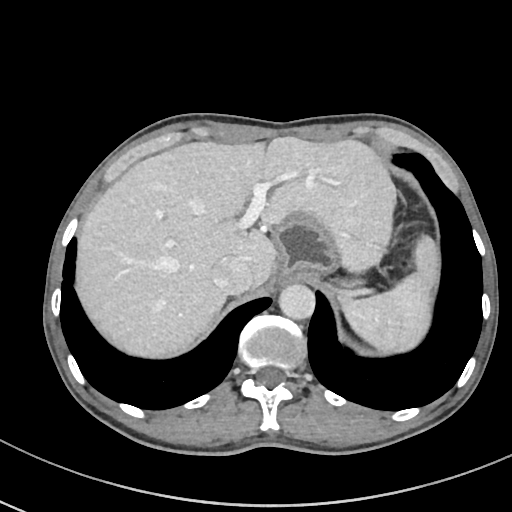

CT, abdomen/pelvis. axial view. 512x512 px
Bounding boxes as [x1, y1, x2, y2] in pixel coordinates. Labeled organs on this slice: spleen at [336, 273, 431, 354], liver at [76, 136, 438, 357], stomach at [275, 213, 339, 283], aorta at [278, 283, 315, 319], inferior vena cava at [212, 257, 252, 294], pancreas at [332, 277, 364, 285].